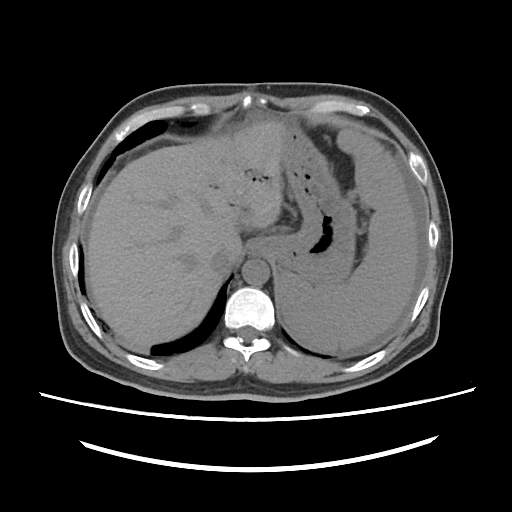 Computed tomography, abdomen. axial view. soft-tissue window. 49-year-old male patient. 14 organs annotated in this scan (that count is for the whole scan; organs this slice misses have no box)
<organs><organ name="spleen" x1="278" y1="129" x2="418" y2="350"/><organ name="liver" x1="86" y1="121" x2="338" y2="351"/><organ name="stomach" x1="248" y1="124" x2="355" y2="284"/><organ name="aorta" x1="242" y1="259" x2="269" y2="285"/><organ name="inferior vena cava" x1="210" y1="245" x2="238" y2="274"/></organs>